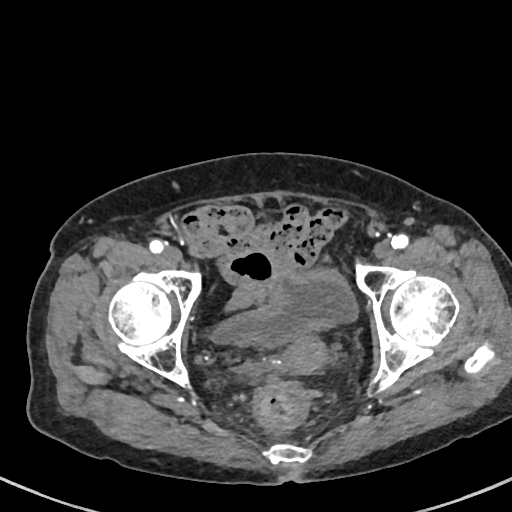
CT, abdomen/pelvis — axial plane, index 34
Organ boxes in pixel coordinates; each row gives the top-left (x1, y1) and bottom-right (x2, y2) corners.
| organ | x1 | y1 | x2 | y2 |
|---|---|---|---|---|
| prostate/uterus | 282 | 333 | 328 | 373 |
| bladder | 209 | 267 | 356 | 347 |